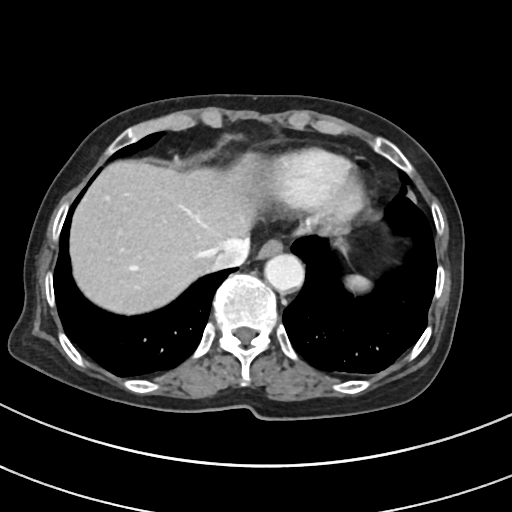 CT, abdomen/pelvis. axial view. soft-tissue window (W 400 / L 40). 15 organs annotated in this scan (counted over the whole 3D scan, not this slice; an organ is boxed only where this slice passes through it)
Box edges are left/top/right/bottom in pixels.
Organ bounding boxes:
- spleen: left=345, top=274, right=369, bottom=290
- esophagus: left=257, top=241, right=282, bottom=260
- liver: left=69, top=154, right=262, bottom=312
- aorta: left=265, top=254, right=304, bottom=292
- inferior vena cava: left=211, top=237, right=251, bottom=269